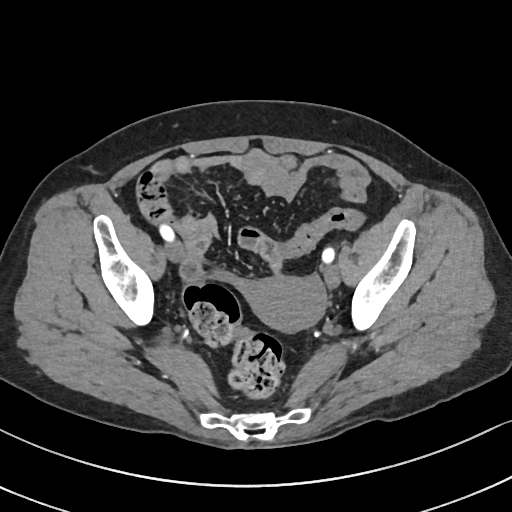
CT abdomen — Axial slice 53/294 — soft-tissue window (W 400 / L 40)
<organs><organ name="prostate/uterus" x1="244" y1="276" x2="324" y2="332"/></organs>